CT abdomen; axial view; abdomen soft-tissue window; scan has 15 labeled organs (a whole-scan count: organs this slice does not pass through have no box)
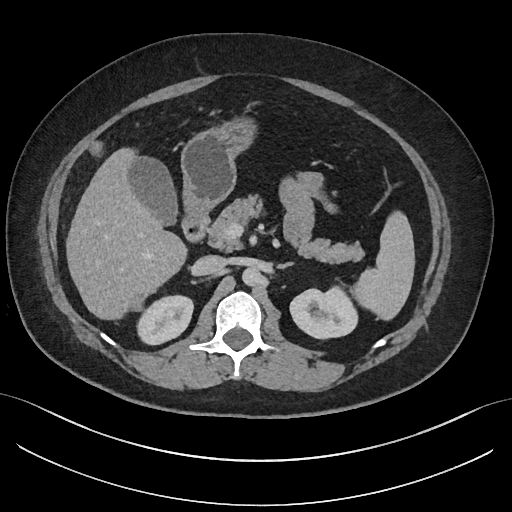
Each box given as x1,y1,x2,y2.
Organ bounding boxes:
- spleen: x1=355, y1=212, x2=414, y2=318
- right kidney: x1=135, y1=295, x2=193, y2=345
- left kidney: x1=289, y1=287, x2=359, y2=339
- gall bladder: x1=128, y1=156, x2=176, y2=223
- liver: x1=65, y1=148, x2=185, y2=317
- stomach: x1=181, y1=117, x2=254, y2=215
- aorta: x1=242, y1=267, x2=260, y2=285
- inferior vena cava: x1=194, y1=256, x2=225, y2=274
- pancreas: x1=207, y1=195, x2=363, y2=263
- left adrenal gland: x1=277, y1=264, x2=293, y2=268
- duodenum: x1=181, y1=215, x2=310, y2=240